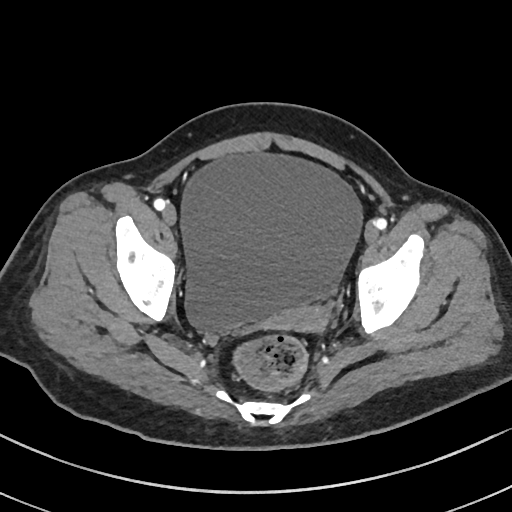
CT abdomen · axial plane, index 33
Boxes: x1 y1 x2 y2 (pixel coords, space-separated).
Organ bounding boxes:
- bladder: 178 153 363 336
- prostate/uterus: 274 306 326 330